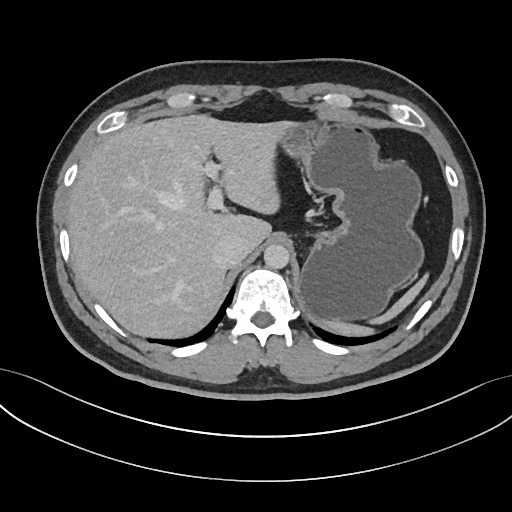 CT abdomen. axial view. 15 organs annotated in this scan (counted over the whole 3D scan, not this slice; an organ is boxed only where this slice passes through it)
Box edges are left/top/right/bottom in pixels.
spleen: left=328, top=274, right=427, bottom=335
liver: left=66, top=114, right=293, bottom=338
stomach: left=280, top=120, right=424, bottom=324
aorta: left=263, top=244, right=289, bottom=269
inferior vena cava: left=213, top=236, right=247, bottom=268